CT abdomen. axial plane, index 67. 60-year-old male patient. Aquilion ONE scanner
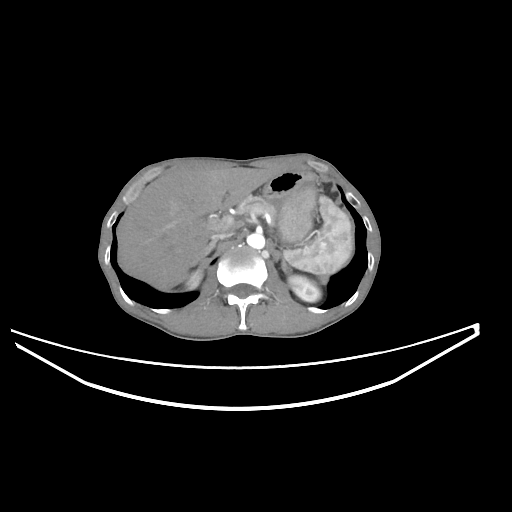
Bounding boxes in pixels, one row per box: x1, y1 is the top-left corner and x2, y2 the bottom-right.
| organ | x1 | y1 | x2 | y2 |
|---|---|---|---|---|
| right kidney | 186 | 269 | 202 | 289 |
| aorta | 246 | 233 | 264 | 249 |
| liver | 117 | 167 | 273 | 290 |
| inferior vena cava | 210 | 228 | 234 | 241 |
| left kidney | 288 | 275 | 321 | 302 |
| spleen | 284 | 197 | 353 | 274 |
| left adrenal gland | 282 | 259 | 285 | 274 |
| stomach | 263 | 171 | 316 | 243 |
| right adrenal gland | 193 | 241 | 216 | 266 |
| pancreas | 238 | 195 | 276 | 216 |